Chest-level slice from an abdominal CT that extends up into the chest; Axial slice 226/302
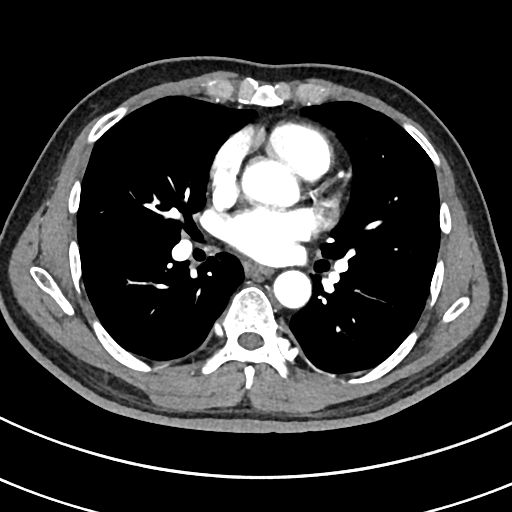

At this level of the chest this dataset labels only the esophagus and the aorta, and each is boxed only where it is labeled; the heart and lungs are never labeled. Boxes: x1 y1 x2 y2 (pixel coords, space-separated). The annotated organs in this slice are: esophagus at 245 263 270 275, aorta at 242 160 293 204, aorta at 273 270 311 308.